CT of the abdomen extending into the chest, slice through the chest; axial plane, index 232; soft-tissue window (W 400 / L 40); 512x512 px
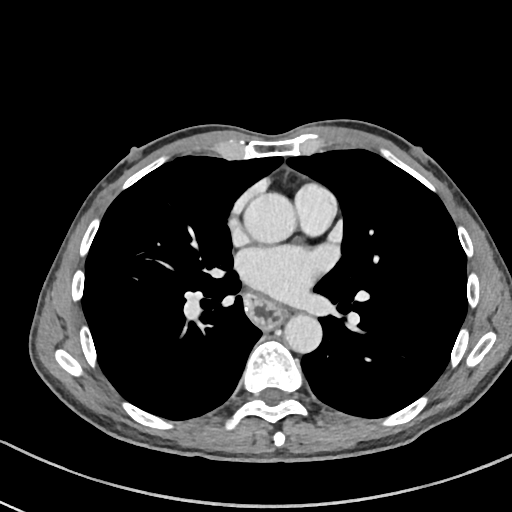 At this level of the chest this dataset labels only the esophagus and the aorta, and each is boxed only where it is labeled; the heart and lungs are never labeled.
{"organs":{"esophagus":[242,293,284,328],"aorta":[[244,193,296,243],[284,314,321,353]]}}